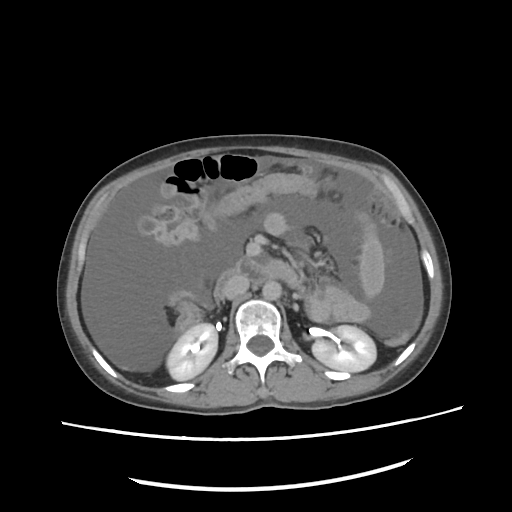

CT abdomen. axial view. W/L 400/40 HU. 512x512 px
Organ boxes in pixel coordinates; each row gives the top-left (x1, y1) and bottom-right (x2, y2) corners.
| organ | x1 | y1 | x2 | y2 |
|---|---|---|---|---|
| inferior vena cava | 223 | 275 | 248 | 299 |
| duodenum | 217 | 257 | 269 | 296 |
| left kidney | 312 | 324 | 376 | 371 |
| right kidney | 166 | 323 | 217 | 381 |
| aorta | 262 | 280 | 281 | 300 |